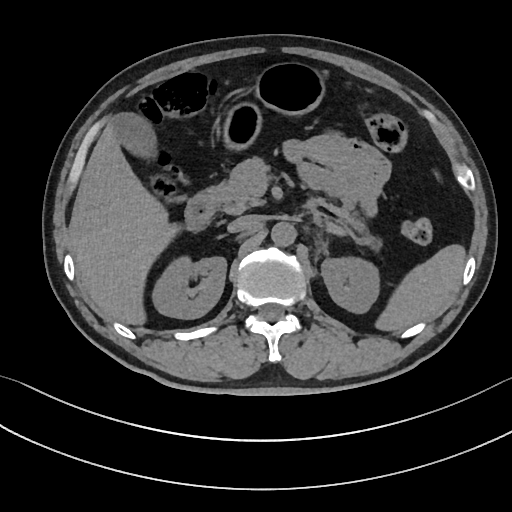

Abdominal CT; Axial slice 163/231; 512x512 px
{"organs":{"liver":[69,124,170,323],"pancreas":[210,157,265,215],"aorta":[271,221,296,246],"inferior vena cava":[227,215,259,233],"right kidney":[150,256,227,318],"gall bladder":[109,113,155,155],"stomach":[224,63,323,147],"duodenum":[185,192,218,229],"left kidney":[320,257,378,313],"spleen":[378,246,465,330]}}